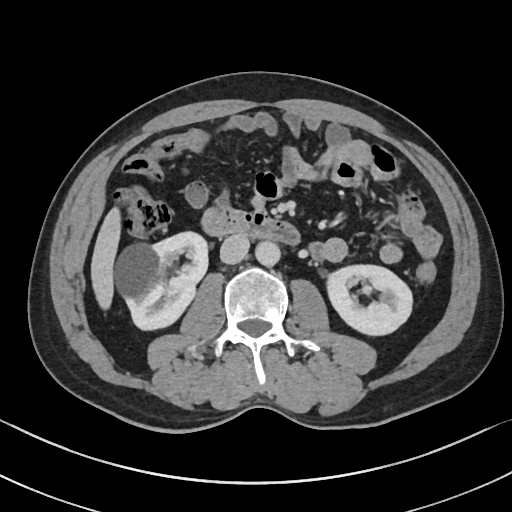

CT, abdomen/pelvis. axial view. acquired on SOMATOM Force
<organs><organ name="right kidney" x1="116" y1="231" x2="208" y2="328"/><organ name="left kidney" x1="324" y1="264" x2="412" y2="334"/><organ name="liver" x1="91" y1="209" x2="120" y2="305"/><organ name="aorta" x1="255" y1="240" x2="279" y2="265"/><organ name="inferior vena cava" x1="220" y1="234" x2="249" y2="263"/><organ name="duodenum" x1="205" y1="209" x2="301" y2="247"/></organs>